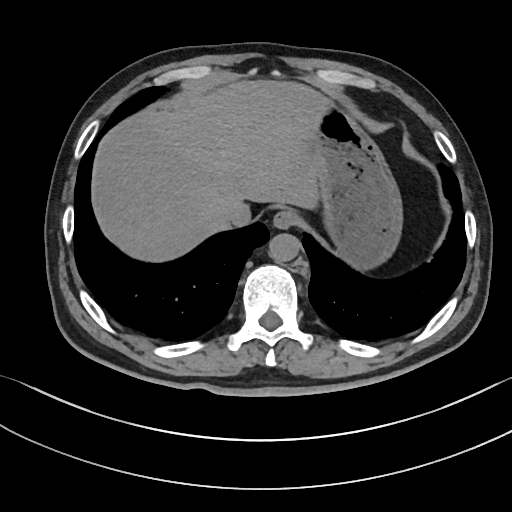

Abdominal CT · axial view · acquired on SOMATOM Force · scan has 15 labeled organs (counted over the whole 3D scan, not this slice; an organ is boxed only where this slice passes through it)
Organ boxes in pixel coordinates; each row gives the top-left (x1, y1) and bottom-right (x2, y2) corners.
| organ | x1 | y1 | x2 | y2 |
|---|---|---|---|---|
| esophagus | 274 | 209 | 301 | 228 |
| liver | 90 | 78 | 323 | 261 |
| stomach | 310 | 99 | 404 | 270 |
| aorta | 267 | 233 | 299 | 263 |
| inferior vena cava | 217 | 202 | 248 | 226 |